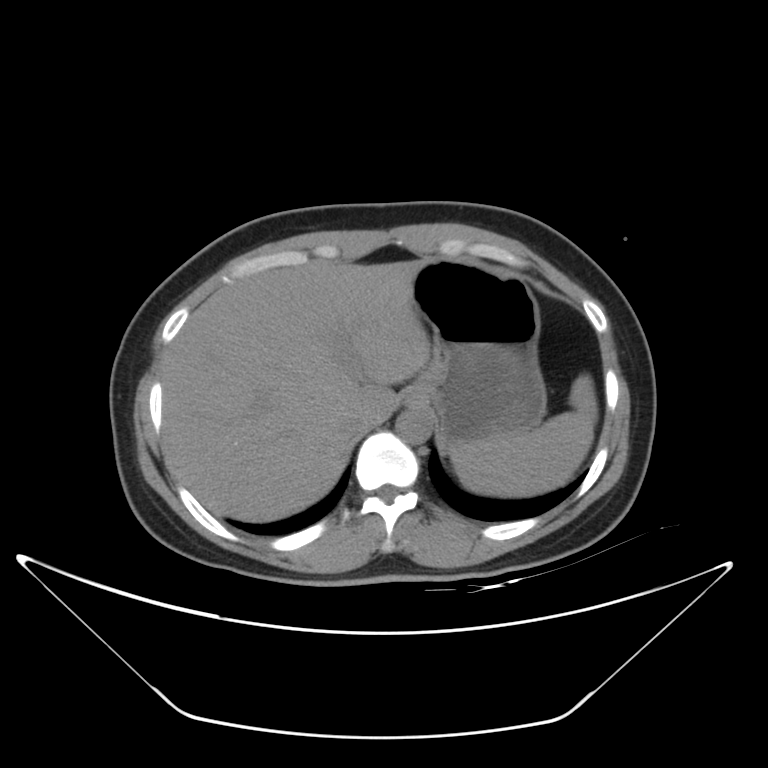

CT, abdomen/pelvis. axial plane, index 83. soft-tissue window. 39-year-old female patient. 15 organs annotated in this scan (that count is for the whole scan; organs this slice misses have no box)
Coordinates as <box>x1,y1,x2,y2</box> in pixels.
spleen: <box>450,373,598,496</box>
liver: <box>161,260,430,521</box>
stomach: <box>403,259,545,446</box>
aorta: <box>396,408,431,443</box>
inferior vena cava: <box>339,412,368,439</box>